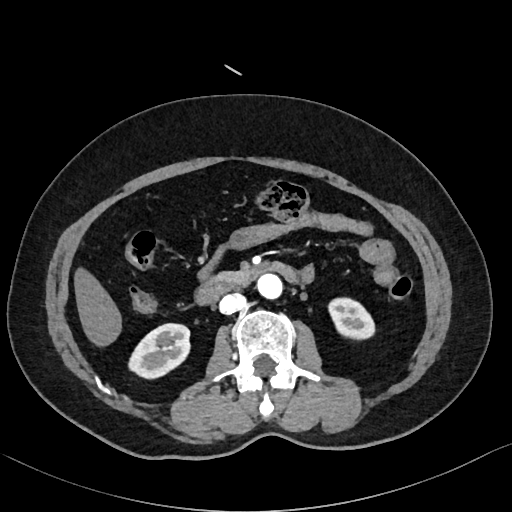 CT abdomen — axial view — 512x512 px
{"organs":{"right kidney":[128,322,190,377],"left kidney":[327,297,376,339],"liver":[74,266,122,348],"aorta":[258,275,283,300],"inferior vena cava":[218,294,245,314],"pancreas":[212,270,251,288],"duodenum":[193,262,298,305]}}